Chest-level CT slice, above the liver and spleen. axial view. 512x512 px
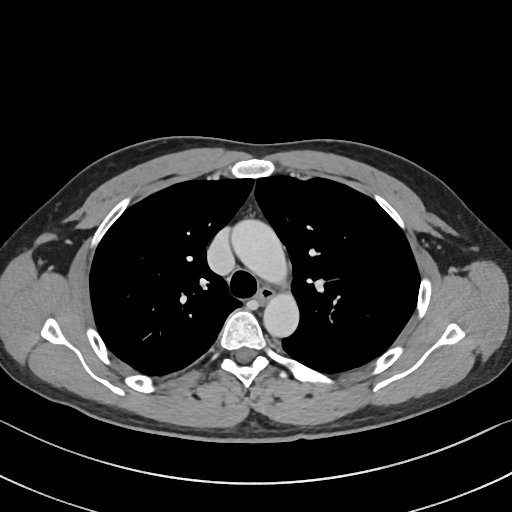 On a slice this high in the chest, this dataset labels only the esophagus and the aorta, and each is boxed only where it is labeled; the heart, lungs and other chest structures are not labeled. Each box given as x1,y1,x2,y2. The annotated organs in this slice are: esophagus at x1=257, y1=287, x2=275, y2=304, aorta at x1=230, y1=218, x2=287, y2=285, aorta at x1=263, y1=295, x2=298, y2=338.